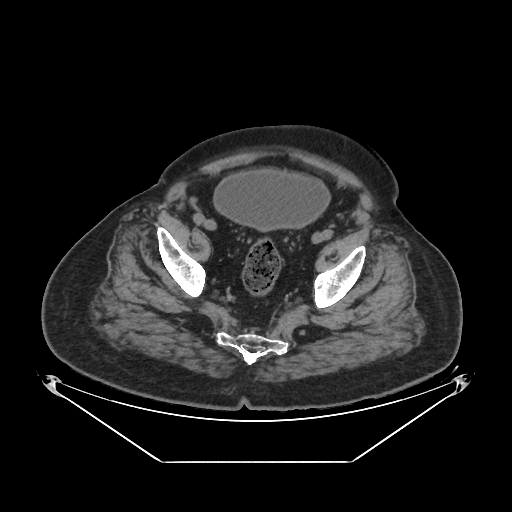

CT abdomen. axial view. abdomen soft-tissue window. 512x512 px. 15 organs annotated in this scan (that count is for the whole scan; organs this slice misses have no box)
Coordinates as <box>x1,y1,x2,y2</box> in pixels.
bladder: <box>213,169,330,230</box>